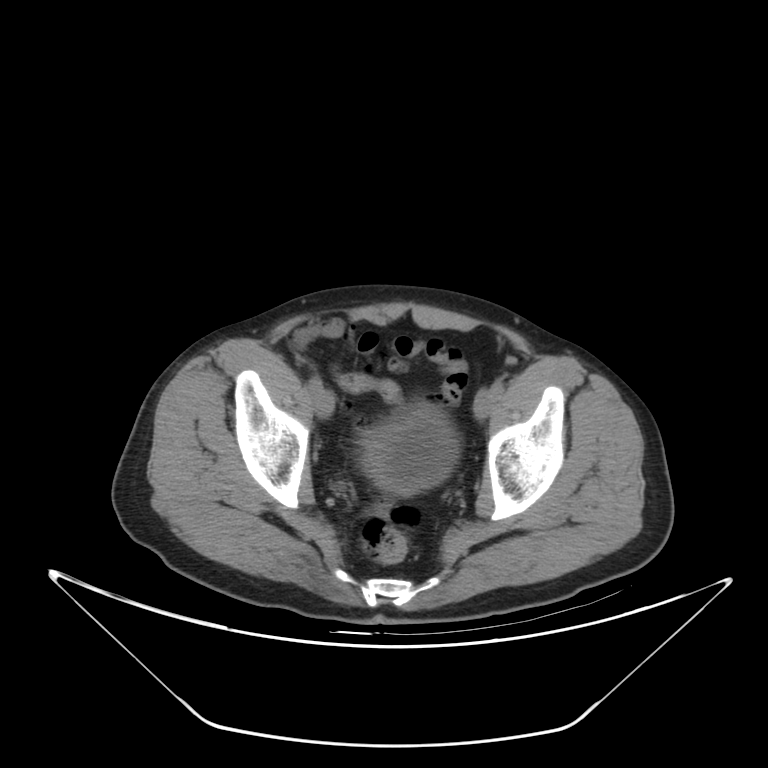
Computed tomography, abdomen; Axial slice 25/83; 59-year-old male patient; Brilliance16 scanner; 15 organs annotated in this scan (that count is for the whole scan; organs this slice misses have no box)
Box edges are left/top/right/bottom in pixels. 1 labeled organ on this slice — bladder at left=364, top=408, right=459, bottom=493.